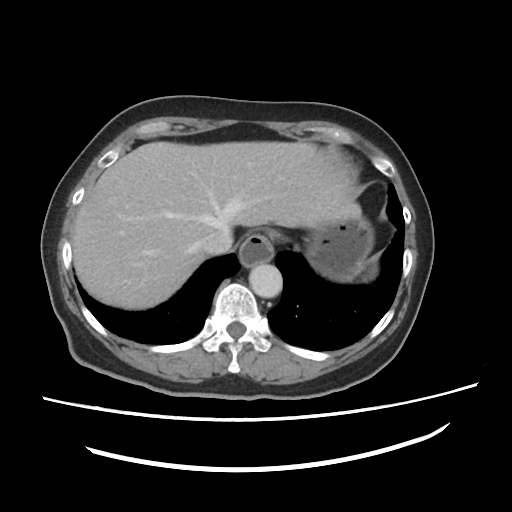
Abdominal CT · axial view · soft-tissue window (W 400 / L 40) · 61-year-old female patient · 14 organs annotated in this scan (that count is for the whole scan; organs this slice misses have no box)
One row per box, in pixels: columns x1 and y1 give the top-left corner, x2 and y2 the bottom-right.
| organ | x1 | y1 | x2 | y2 |
|---|---|---|---|---|
| esophagus | 239 | 234 | 273 | 268 |
| liver | 72 | 140 | 361 | 308 |
| stomach | 306 | 213 | 373 | 279 |
| aorta | 249 | 261 | 282 | 299 |
| inferior vena cava | 199 | 232 | 233 | 254 |